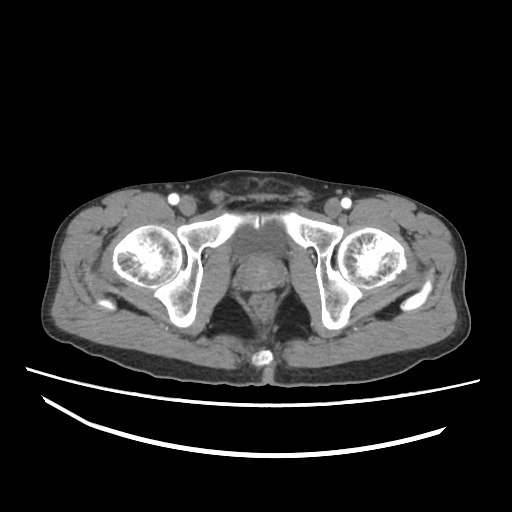 CT, abdomen/pelvis — axial view — 40-year-old male patient — scan has 15 labeled organs (a whole-scan count: organs this slice does not pass through have no box)
Boxes: x1 y1 x2 y2 (pixel coords, space-separated). 2 labeled organs on this slice — bladder at 232 223 285 257; prostate/uterus at 236 256 284 290.